Abdominal CT; Axial slice 90/96; acquired on Brilliance16; scan has 15 labeled organs (a whole-scan count: organs this slice does not pass through have no box)
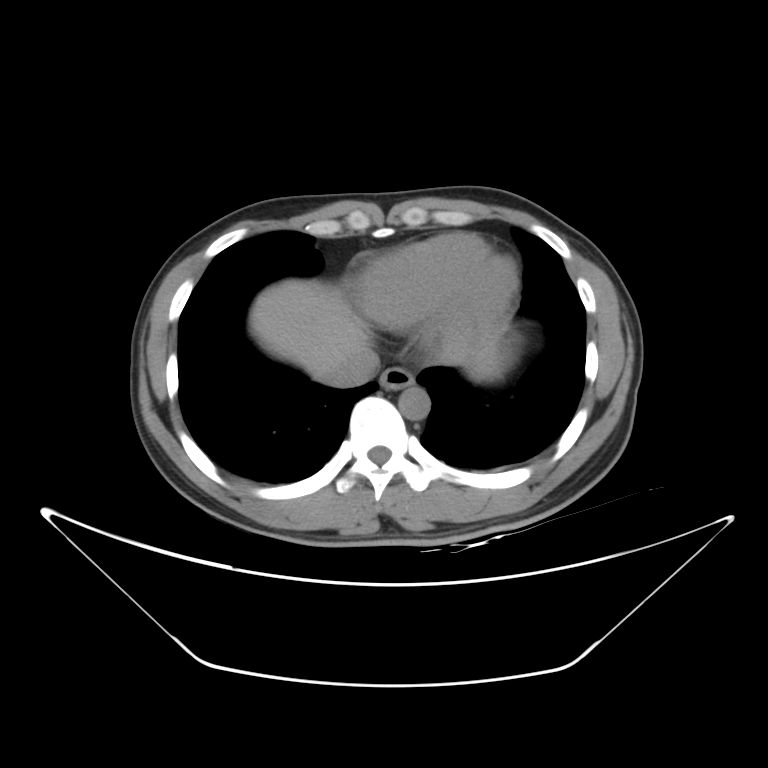 <organs><organ name="esophagus" x1="379" y1="366" x2="414" y2="389"/><organ name="liver" x1="250" y1="279" x2="508" y2="380"/><organ name="aorta" x1="398" y1="386" x2="430" y2="420"/><organ name="inferior vena cava" x1="322" y1="347" x2="380" y2="388"/></organs>